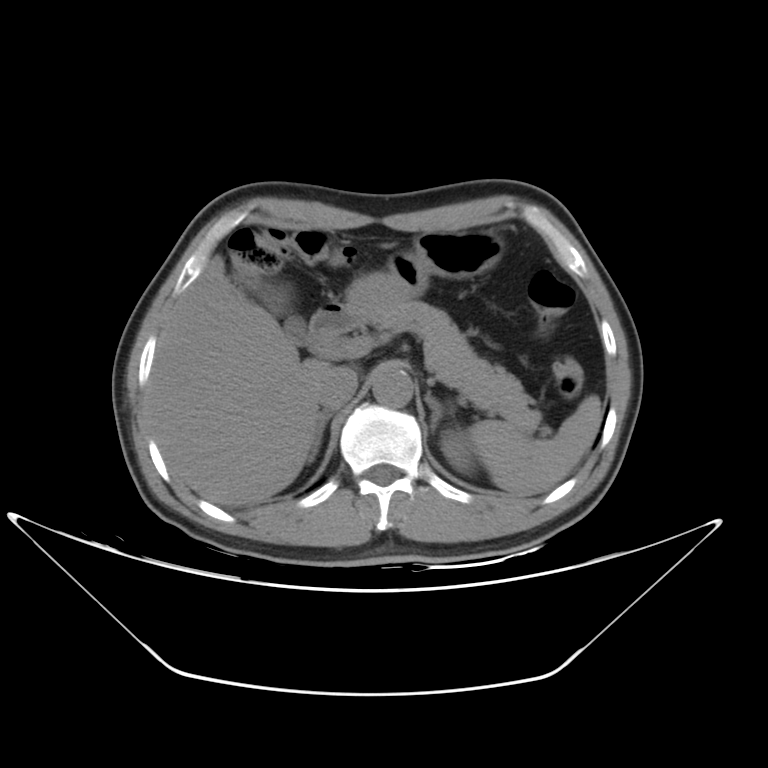
Computed tomography, abdomen. axial plane, index 83. 15 organs annotated in this scan (that count is for the whole scan; organs this slice misses have no box)
Organ boxes in pixel coordinates; each row gives the top-left (x1, y1) and bottom-right (x2, y2) corners.
| organ | x1 | y1 | x2 | y2 |
|---|---|---|---|---|
| spleen | 466 | 394 | 601 | 493 |
| left kidney | 440 | 434 | 471 | 470 |
| gall bladder | 255 | 281 | 310 | 345 |
| liver | 148 | 254 | 330 | 505 |
| stomach | 346 | 226 | 505 | 313 |
| aorta | 372 | 368 | 412 | 408 |
| inferior vena cava | 318 | 368 | 356 | 410 |
| pancreas | 356 | 298 | 542 | 433 |
| right adrenal gland | 305 | 411 | 335 | 469 |
| left adrenal gland | 423 | 393 | 445 | 433 |
| duodenum | 310 | 301 | 361 | 350 |